CT, abdomen/pelvis — axial view — W/L 400/40 HU
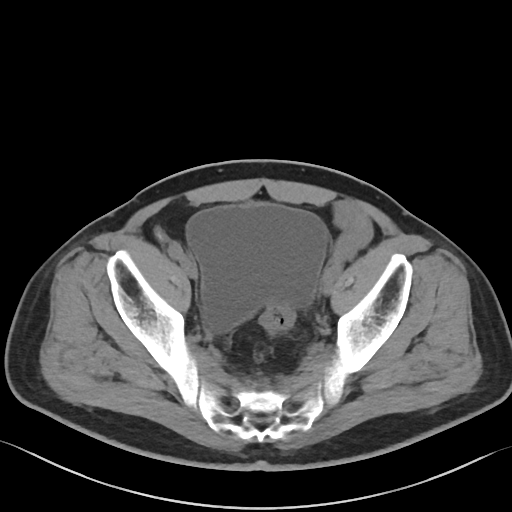

{"organs":{"bladder":[186,202,327,330]}}